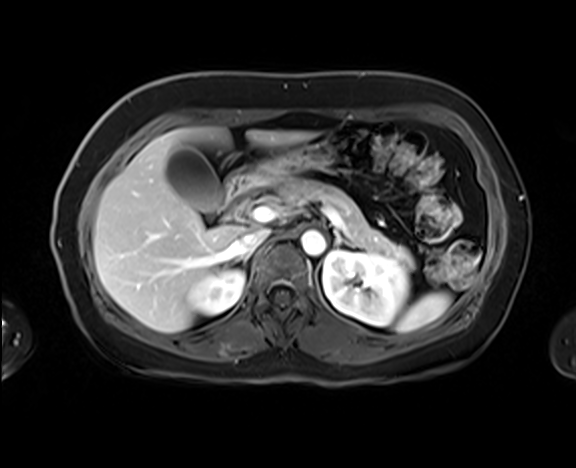
Abdominal MR — axial view — scan has 13 labeled organs (a whole-scan count: organs this slice does not pass through have no box)
One row per box, in pixels: columns x1 and y1 give the top-left corner, x2 and y2 the bottom-right.
| organ | x1 | y1 | x2 | y2 |
|---|---|---|---|---|
| spleen | 395 | 292 | 451 | 332 |
| right kidney | 188 | 269 | 244 | 315 |
| left kidney | 322 | 250 | 408 | 325 |
| gall bladder | 165 | 145 | 222 | 212 |
| liver | 93 | 127 | 314 | 332 |
| stomach | 234 | 141 | 336 | 189 |
| aorta | 301 | 230 | 325 | 255 |
| inferior vena cava | 228 | 229 | 269 | 257 |
| pancreas | 279 | 179 | 413 | 268 |
| right adrenal gland | 236 | 253 | 249 | 263 |
| left adrenal gland | 335 | 233 | 355 | 247 |
| duodenum | 227 | 175 | 249 | 216 |